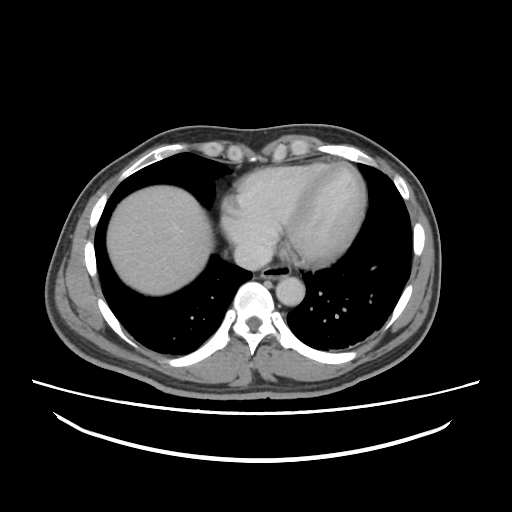 CT, abdomen/pelvis — Axial slice 96/133 — 512x512 px — 15 organs annotated in this scan (a whole-scan count: organs this slice does not pass through have no box)
Box edges are left/top/right/bottom in pixels.
Organ bounding boxes:
- liver: left=107, top=185, right=213, bottom=295
- aorta: left=276, top=277, right=304, bottom=306
- esophagus: left=261, top=264, right=291, bottom=279
- inferior vena cava: left=234, top=242, right=272, bottom=270